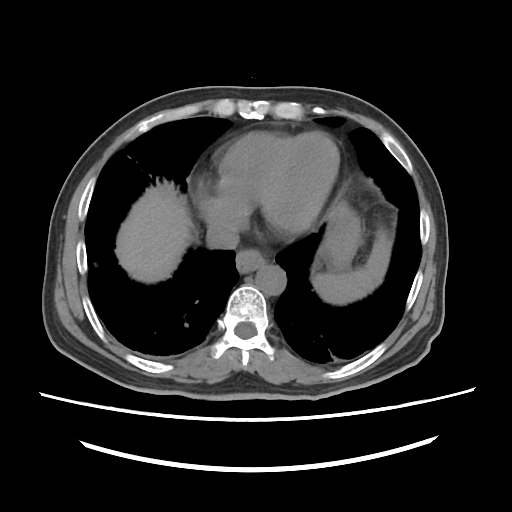
CT abdomen · axial view · 49-year-old male patient · scan has 14 labeled organs (counted over the whole 3D scan, not this slice; an organ is boxed only where this slice passes through it)
Bounding boxes as [x1, y1, x2, y2] in pixel coordinates. Labeled organs on this slice: spleen at [312, 231, 389, 304], aorta at [256, 265, 285, 295], inferior vena cava at [206, 225, 239, 248], stomach at [321, 202, 360, 270], liver at [116, 187, 191, 282], esophagus at [236, 250, 266, 272].